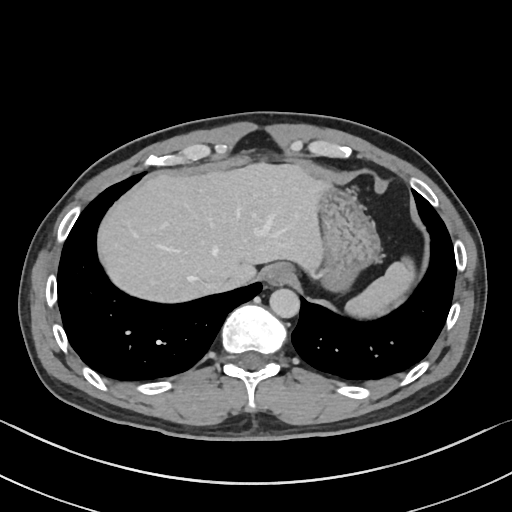 Abdominal CT · axial view · 15 organs annotated in this scan (a whole-scan count: organs this slice does not pass through have no box)
{"organs":{"spleen":[343,259,416,316],"esophagus":[263,263,295,286],"liver":[96,163,331,304],"stomach":[312,185,382,290],"aorta":[269,288,299,318],"inferior vena cava":[207,278,227,290]}}